Abdominal MRI — coronal view — 1st–99th percentile window
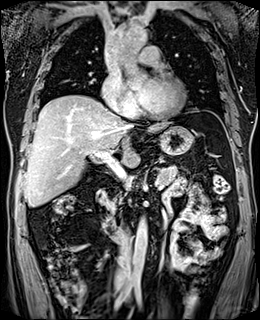
<organs><organ name="gall bladder" x1="86" y1="179" x2="89" y2="179"/><organ name="liver" x1="24" y1="95" x2="171" y2="206"/><organ name="stomach" x1="158" y1="126" x2="193" y2="155"/><organ name="aorta" x1="130" y1="217" x2="147" y2="282"/><organ name="aorta" x1="118" y1="24" x2="147" y2="48"/><organ name="inferior vena cava" x1="114" y1="234" x2="130" y2="282"/><organ name="inferior vena cava" x1="121" y1="105" x2="135" y2="118"/><organ name="pancreas" x1="105" y1="165" x2="178" y2="211"/><organ name="duodenum" x1="96" y1="189" x2="119" y2="240"/></organs>